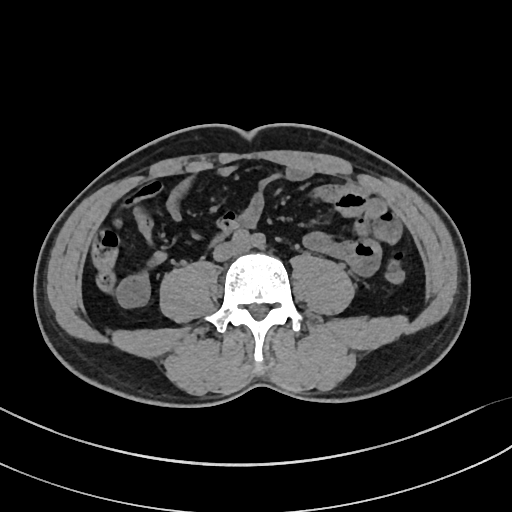

CT, abdomen/pelvis. axial view. 512x512 px. acquired on SOMATOM Force. scan has 15 labeled organs (counted over the whole 3D scan, not this slice; an organ is boxed only where this slice passes through it)
One row per box, in pixels: columns x1 and y1 give the top-left corner, x2 and y2 the bottom-right.
| organ | x1 | y1 | x2 | y2 |
|---|---|---|---|---|
| inferior vena cava | 214 | 243 | 243 | 260 |